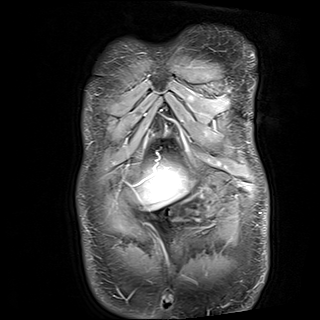 MRI, abdomen; coronal plane, index 58; 320x320 px; scan has 13 labeled organs (counted over the whole 3D scan, not this slice; an organ is boxed only where this slice passes through it)
Boxes are (x1, y1, x2, y2) in pixels. Labeled organs on this slice: liver at (138, 160, 187, 206), stomach at (171, 183, 219, 229).